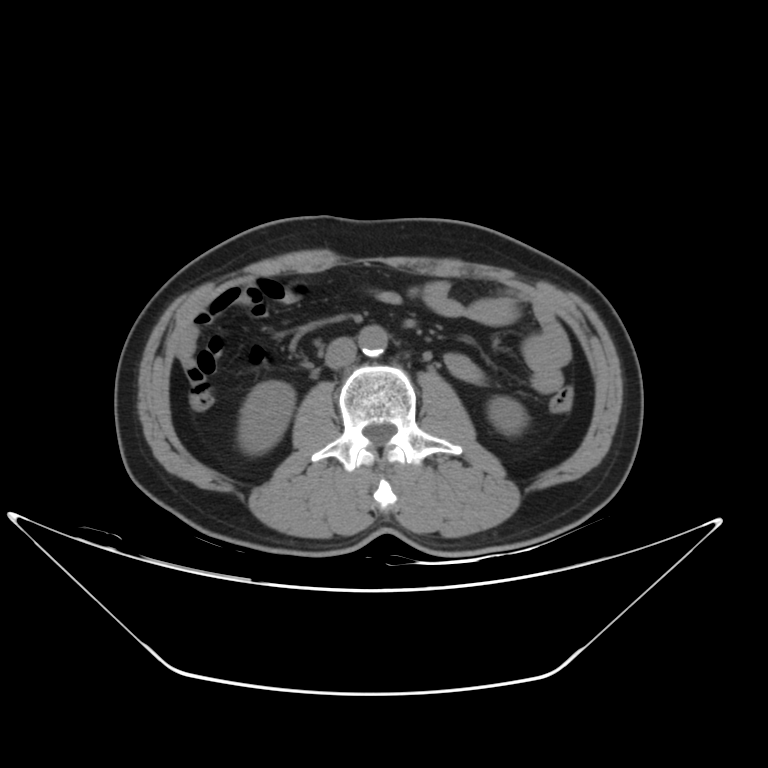

CT abdomen. axial view. 53-year-old male patient
<organs><organ name="aorta" x1="359" y1="327" x2="387" y2="356"/><organ name="left kidney" x1="490" y1="396" x2="525" y2="433"/><organ name="right kidney" x1="239" y1="380" x2="293" y2="452"/><organ name="inferior vena cava" x1="326" y1="337" x2="356" y2="369"/></organs>